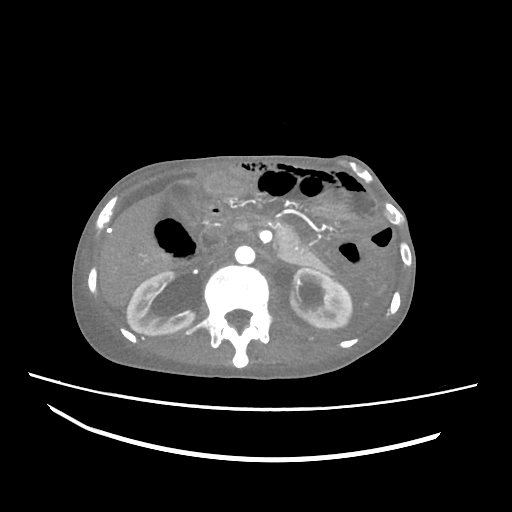

CT, abdomen/pelvis; Axial slice 62/123; W/L 400/40 HU; 15 organs annotated in this scan (counted over the whole 3D scan, not this slice; an organ is boxed only where this slice passes through it)
Bounding boxes in pixels, one row per box: x1, y1 is the top-left corner and x2, y2 the bottom-right.
| organ | x1 | y1 | x2 | y2 |
|---|---|---|---|---|
| right kidney | 126 | 271 | 194 | 335 |
| left kidney | 276 | 268 | 352 | 328 |
| gall bladder | 167 | 182 | 201 | 218 |
| liver | 99 | 180 | 195 | 307 |
| aorta | 235 | 246 | 255 | 264 |
| inferior vena cava | 203 | 248 | 225 | 265 |
| pancreas | 221 | 213 | 327 | 271 |
| duodenum | 197 | 225 | 227 | 256 |